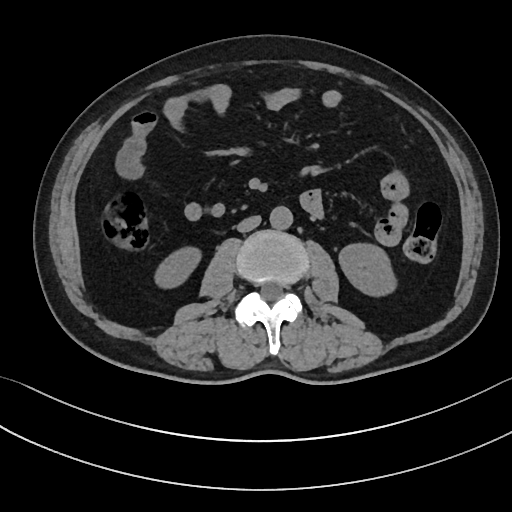
CT abdomen. axial plane, index 128. soft-tissue window (W 400 / L 40). 15 organs annotated in this scan (that count is for the whole scan; organs this slice misses have no box)
{"organs":{"inferior vena cava":[236,215,261,232],"aorta":[269,206,293,230],"duodenum":[215,231,221,233],"left kidney":[338,242,395,297],"right kidney":[156,249,201,288]}}